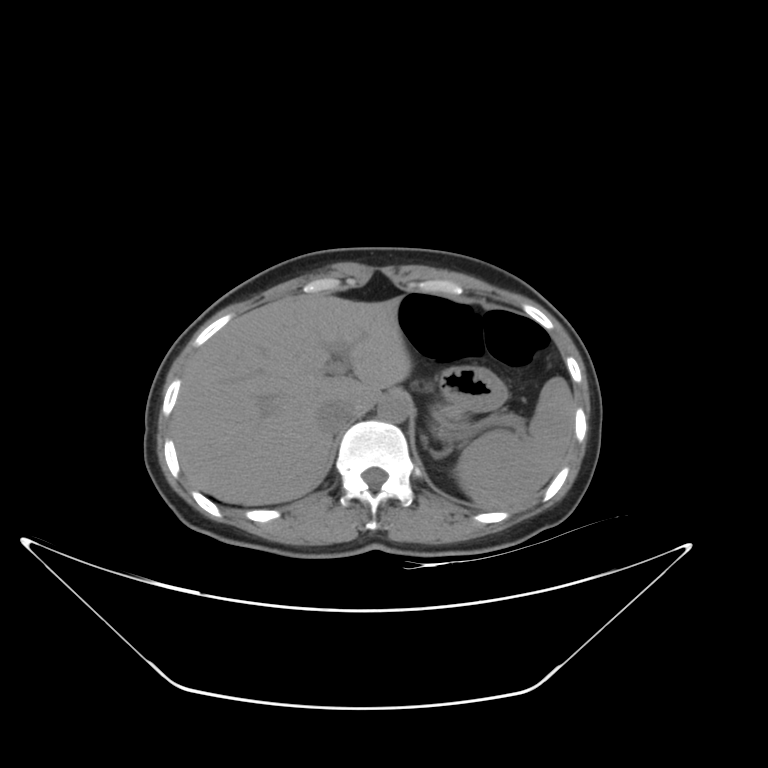
Abdominal CT; axial view; abdomen soft-tissue window; 768x768 px
{"organs":{"aorta":[378,393,409,422],"liver":[171,295,411,505],"left adrenal gland":[422,436,427,447],"spleen":[455,376,574,509],"inferior vena cava":[319,400,355,432],"stomach":[434,365,506,420]}}